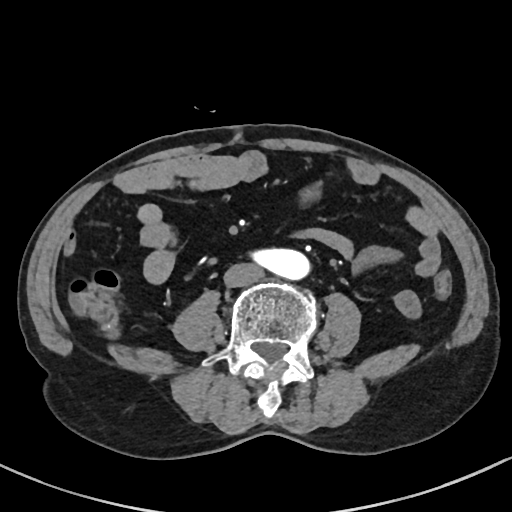

Computed tomography, abdomen; axial view
Coordinates as <box>x1,y1,x2,y2</box> in pixels. The annotated organs in this slice are: aorta at <box>251,248,311,281</box>, inferior vena cava at <box>223,262,264,287</box>.